CT abdomen. axial view. W/L 400/40 HU. SOMATOM Force scanner
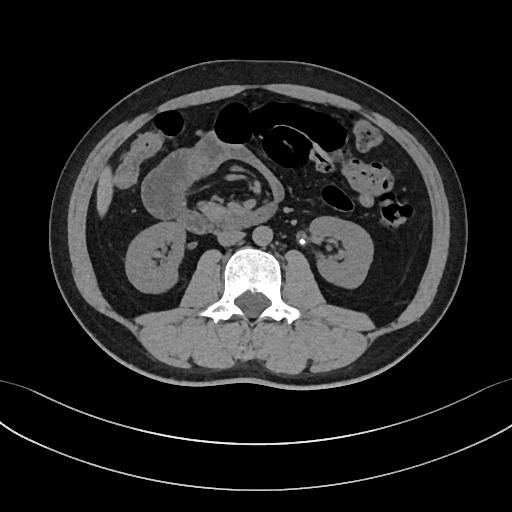
Boxes: x1 y1 x2 y2 (pixel coords, space-separated). Labeled organs on this slice: right kidney at 125 222 185 292, left kidney at 309 216 373 287, liver at 97 166 112 216, aorta at 252 226 272 245, inferior vena cava at 217 230 244 245, pancreas at 199 202 229 220, duodenum at 177 203 276 233.